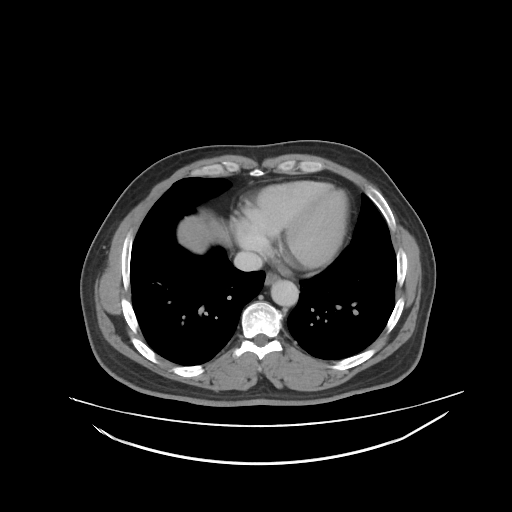
CT abdomen · Axial slice 92/96
Boxes: x1:y1:x2:y2 in pixels.
Organ bounding boxes:
- esophagus: 264:271:279:284
- liver: 178:213:227:254
- aorta: 270:279:298:306
- inferior vena cava: 234:252:262:271